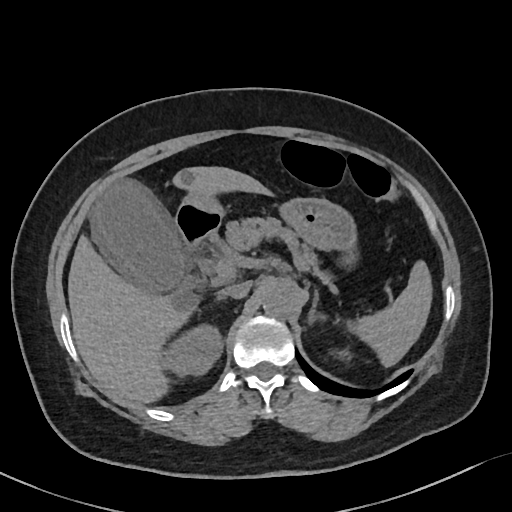

CT abdomen; axial view; W/L 400/40 HU; 512x512 px
Bounding boxes in pixels, one row per box: x1, y1 is the top-left corner and x2, y2 the bottom-right.
| organ | x1 | y1 | x2 | y2 |
|---|---|---|---|---|
| spleen | 355 | 260 | 433 | 366 |
| right kidney | 159 | 327 | 222 | 374 |
| left kidney | 336 | 348 | 351 | 359 |
| gall bladder | 90 | 181 | 191 | 291 |
| liver | 68 | 167 | 266 | 402 |
| stomach | 175 | 191 | 355 | 250 |
| aorta | 263 | 280 | 296 | 317 |
| inferior vena cava | 220 | 282 | 250 | 297 |
| pancreas | 209 | 217 | 332 | 283 |
| left adrenal gland | 307 | 289 | 318 | 320 |
| duodenum | 174 | 205 | 220 | 251 |